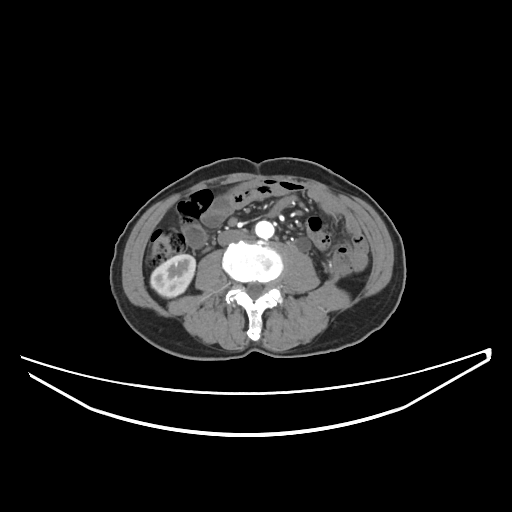

CT abdomen. Axial slice 46/120. Aquilion ONE scanner. scan has 15 labeled organs (a whole-scan count: organs this slice does not pass through have no box)
Coordinates as <box>x1,y1,x2,y2</box> in pixels.
right kidney: <box>150,254,195,297</box>
aorta: <box>255,220,274,239</box>
inferior vena cava: <box>218,230,245,245</box>